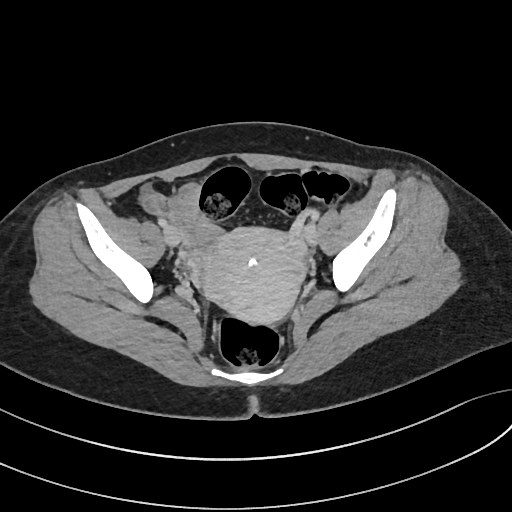

CT abdomen — axial view — soft-tissue window (W 400 / L 40) — acquired on SOMATOM Force — scan has 15 labeled organs (that count is for the whole scan; organs this slice misses have no box)
Organ boxes in pixel coordinates; each row gives the top-left (x1, y1) and bottom-right (x2, y2) corners.
| organ | x1 | y1 | x2 | y2 |
|---|---|---|---|---|
| prostate/uterus | 201 | 228 | 308 | 324 |